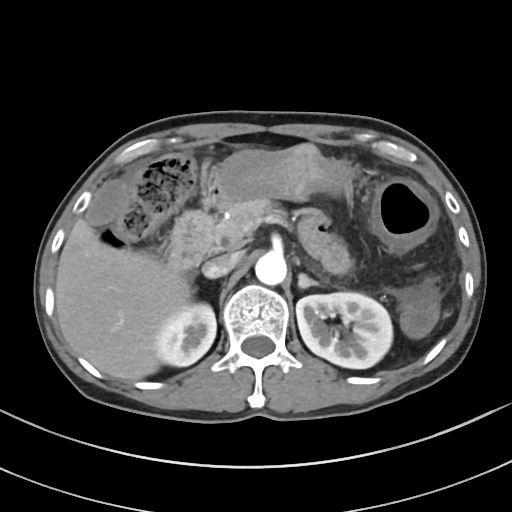

CT, abdomen/pelvis — axial view — abdomen soft-tissue window
Organ boxes in pixel coordinates; each row gives the top-left (x1, y1) and bottom-right (x2, y2) corners.
| organ | x1 | y1 | x2 | y2 |
|---|---|---|---|---|
| left kidney | 296 | 292 | 392 | 368 |
| left adrenal gland | 298 | 273 | 318 | 288 |
| gall bladder | 86 | 179 | 129 | 225 |
| liver | 55 | 218 | 191 | 380 |
| inferior vena cava | 202 | 253 | 239 | 277 |
| right kidney | 155 | 303 | 216 | 366 |
| pancreas | 208 | 199 | 282 | 251 |
| duodenum | 168 | 210 | 212 | 272 |
| aorta | 255 | 252 | 286 | 285 |
| stomach | 205 | 144 | 353 | 206 |